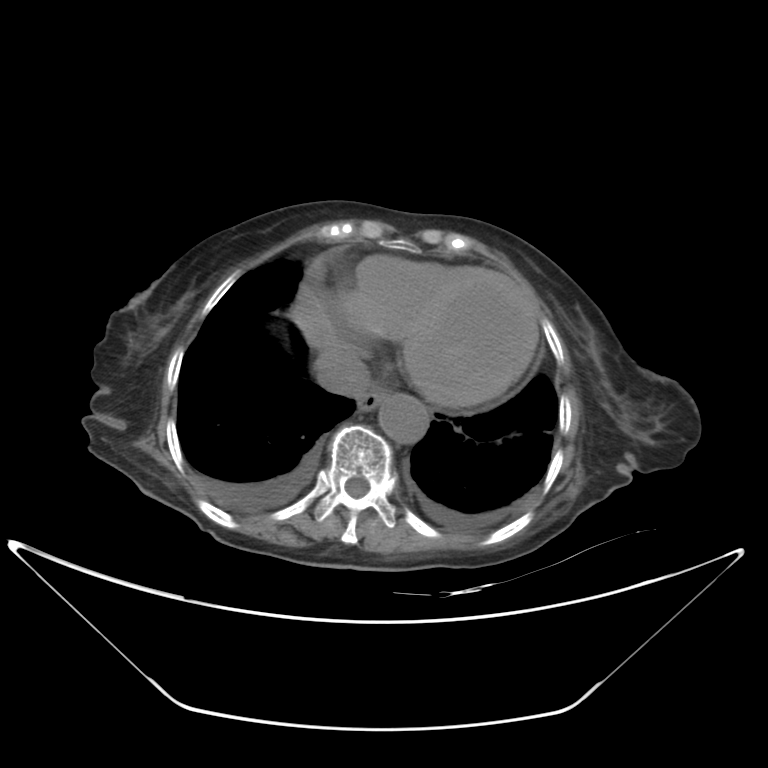

CT of the abdomen reaching into the lower chest, slice just above the liver and spleen · axial view · female patient aged 90 or older
Of the structures in the chest, this dataset labels only the esophagus, the aorta and the inferior vena cava; the heart and lungs have no label.
{"organs":{"esophagus":[356,388,387,411],"inferior vena cava":[315,349,369,395],"aorta":[378,394,429,444]}}